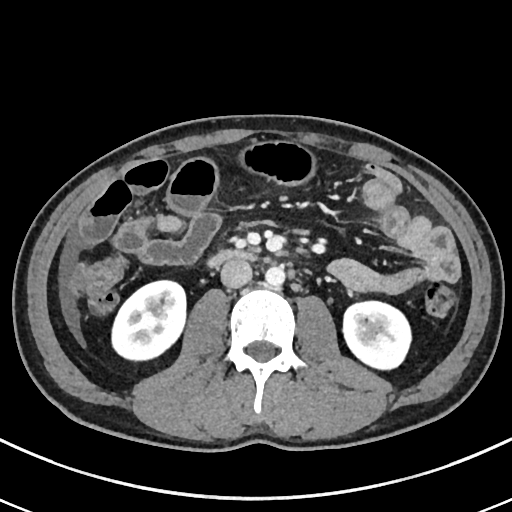
CT abdomen — axial view — abdomen soft-tissue window — scan has 15 labeled organs (counted over the whole 3D scan, not this slice; an organ is boxed only where this slice passes through it)
Coordinates as <box>x1,y1,x2,y2</box> in pixels.
Organ bounding boxes:
- right kidney: <box>111,280,186,360</box>
- left kidney: <box>343,302,410,371</box>
- aorta: <box>265,266,285,286</box>
- inferior vena cava: <box>220,259,252,287</box>
- duodenum: <box>207,250,258,267</box>